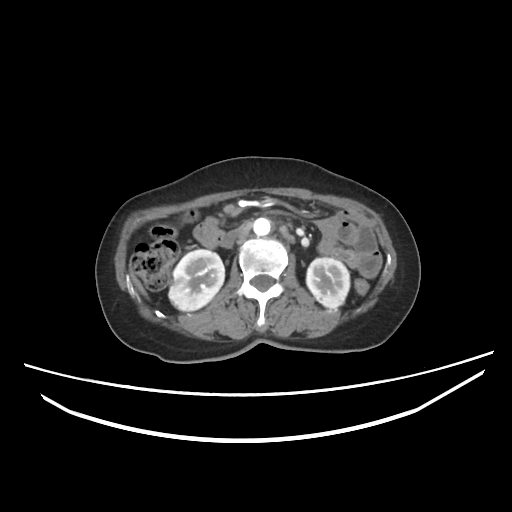
Abdominal CT · axial plane, index 60 · abdomen soft-tissue window · 63-year-old female patient
Box edges are left/top/right/bottom in pixels. Labeled organs on this slice: liver at left=128, top=265, right=151, bottom=300, right kidney at left=168, top=249, right=223, bottom=310, duodenum at left=192, top=217, right=223, bottom=247, inferior vena cava at left=220, top=231, right=238, bottom=248, left kidney at left=307, top=258, right=350, bottom=306, aorta at left=253, top=217, right=271, bottom=234.